Abdominal CT. axial view. abdomen soft-tissue window
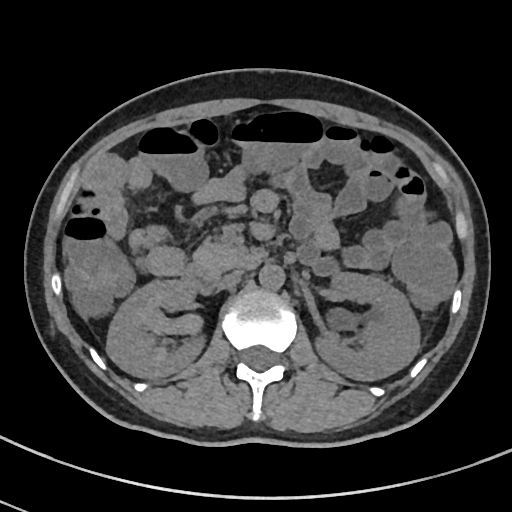 <organs><organ name="pancreas" x1="192" y1="243" x2="248" y2="277"/><organ name="right kidney" x1="106" y1="280" x2="204" y2="377"/><organ name="aorta" x1="259" y1="264" x2="284" y2="290"/><organ name="inferior vena cava" x1="217" y1="270" x2="243" y2="289"/><organ name="left kidney" x1="315" y1="272" x2="420" y2="380"/><organ name="duodenum" x1="184" y1="249" x2="264" y2="293"/></organs>